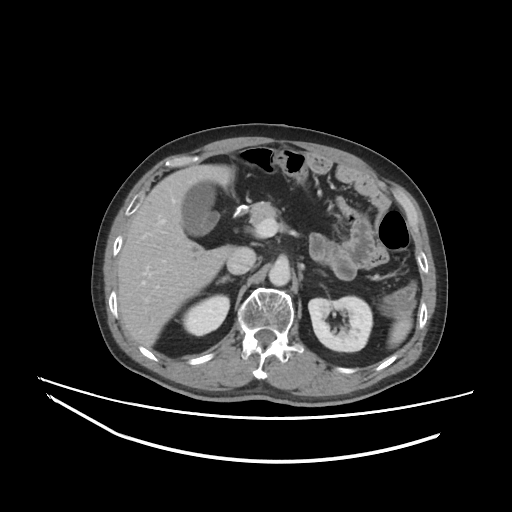

CT abdomen · axial plane, index 66 · 512x512 px · 54-year-old male patient · acquired on Aquilion ONE · 15 organs annotated in this scan (that count is for the whole scan; organs this slice misses have no box)
Bounding boxes as [x1, y1, x2, y2] in pixel coordinates.
left kidney: [308, 296, 372, 351]
right adrenal gland: [217, 276, 233, 283]
right kidney: [182, 295, 229, 335]
aorta: [268, 262, 290, 286]
inferior vena cava: [226, 247, 256, 274]
pancreas: [250, 202, 278, 224]
gall bladder: [182, 181, 219, 235]
liver: [117, 164, 234, 347]
spleen: [388, 316, 412, 347]